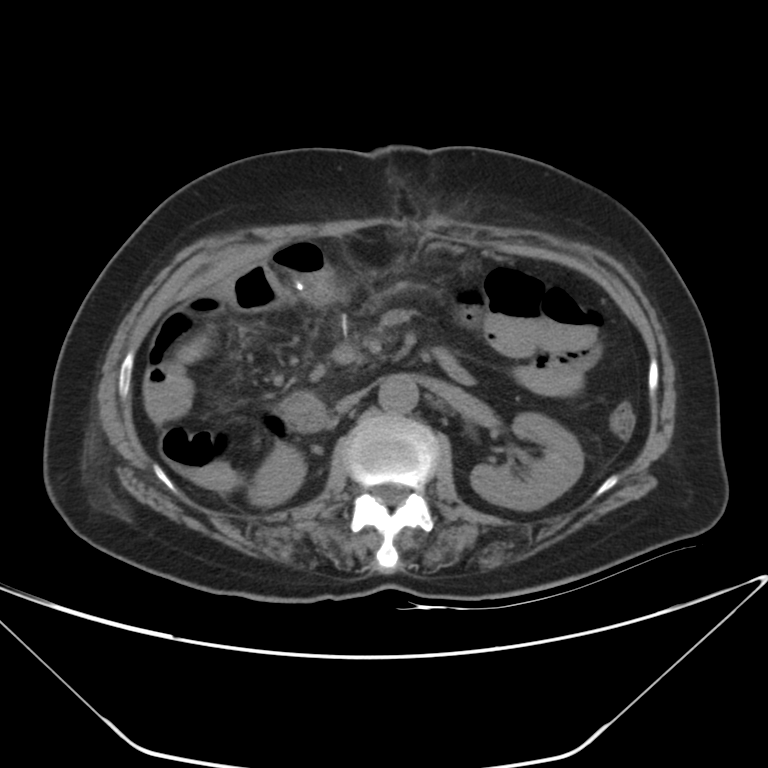
CT abdomen · axial view · soft-tissue window · 66-year-old female patient
Boxes are (x1, y1, x2, y2) in pixels.
duodenum: (280, 393, 325, 428)
left kidney: (470, 413, 583, 510)
right kidney: (248, 445, 305, 506)
aorta: (378, 374, 418, 413)
inferior vena cava: (335, 392, 361, 413)